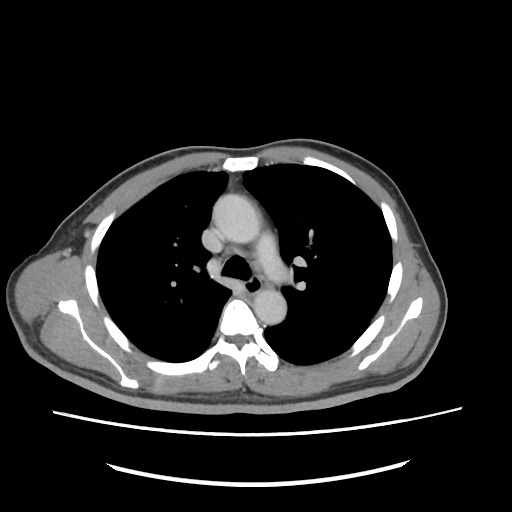
Chest-level CT slice, above the liver and spleen · axial view · W/L 400/40 HU · 54-year-old male patient · scan has 15 labeled organs (a whole-scan count: organs this slice does not pass through have no box)
At this level of the chest this dataset labels only the esophagus and the aorta, and each is boxed only where it is labeled; the heart and lungs are never labeled.
Each box given as x1,y1,x2,y2.
esophagus: x1=243, y1=277, x2=260, y2=292
aorta: x1=212, y1=194, x2=260, y2=243
aorta: x1=253, y1=289, x2=286, y2=324